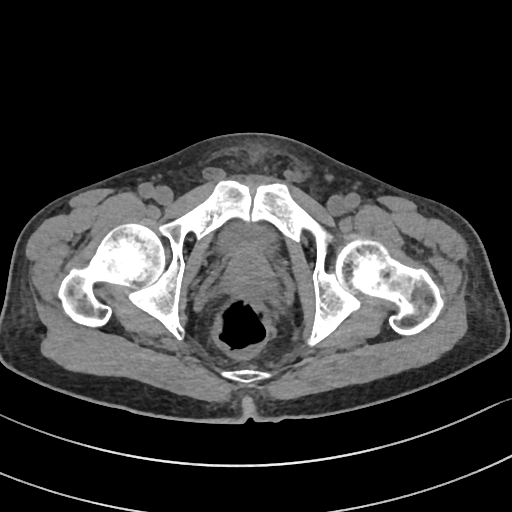 Computed tomography, abdomen; axial plane, index 16
Each box given as x1,y1,x2,y2.
bladder: x1=217, y1=222, x2=271, y2=250
prostate/uterus: x1=224, y1=246, x2=272, y2=294